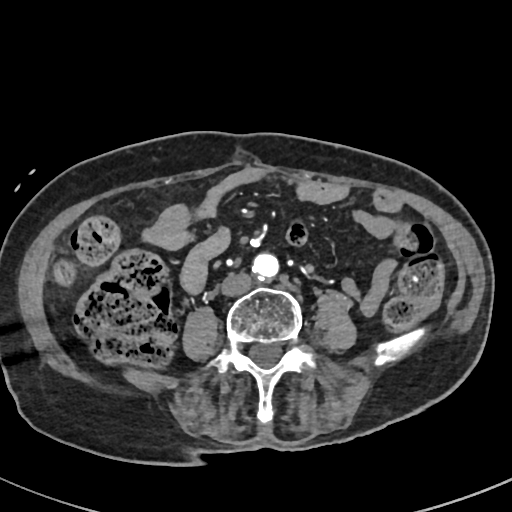

Abdominal CT. Axial slice 100/279
<organs><organ name="aorta" x1="252" y1="253" x2="279" y2="280"/><organ name="inferior vena cava" x1="221" y1="273" x2="254" y2="296"/></organs>